Abdominal CT · axial view · 512x512 px
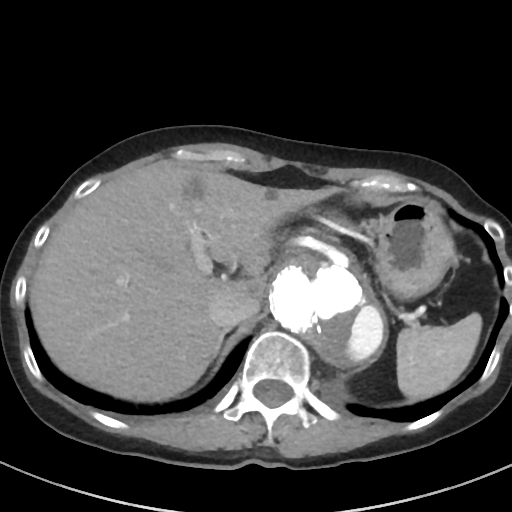

Boxes are (x1, y1, x2, y2) in pixels. 6 labeled organs on this slice — aorta at (269, 251, 387, 367); inferior vena cava at (209, 289, 259, 328); liver at (29, 161, 332, 401); stomach at (370, 198, 454, 298); right adrenal gland at (220, 331, 226, 342); spleen at (396, 313, 482, 399).